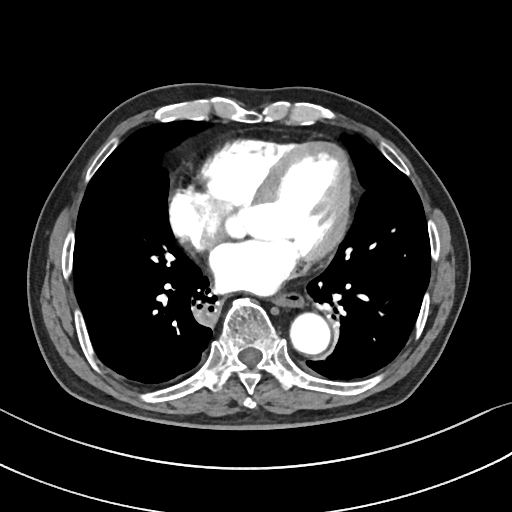

Lower-chest slice from an abdominal CT, just above the liver and spleen · Axial slice 216/306 · soft-tissue window · 512x512 px · acquired on SOMATOM Force
No part of the heart or lungs is labeled in this dataset, so neither has a box here.
Boxes: x1 y1 x2 y2 (pixel coords, space-separated).
Organ bounding boxes:
- esophagus: 274 289 303 305
- aorta: 289 311 329 353